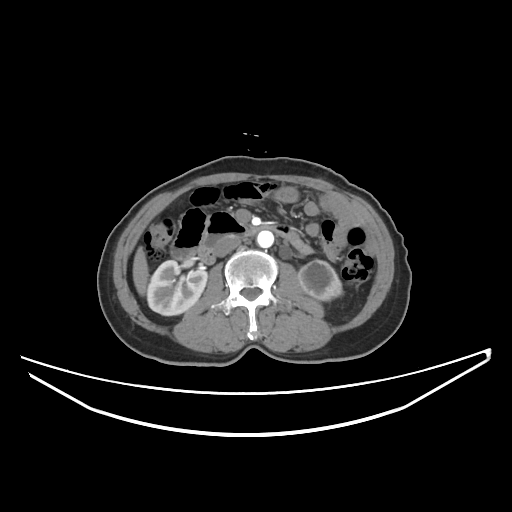
Abdominal CT. axial view. W/L 400/40 HU. acquired on Aquilion ONE
Each box given as x1,y1,x2,y2.
liver: x1=132, y1=247, x2=148, y2=295
right kidney: x1=147, y1=260, x2=207, y2=315
inferior vena cava: x1=214, y1=236, x2=240, y2=256
left kidney: x1=299, y1=260, x2=342, y2=300
aorta: x1=256, y1=231, x2=273, y2=247
duodenum: x1=196, y1=212, x2=272, y2=264